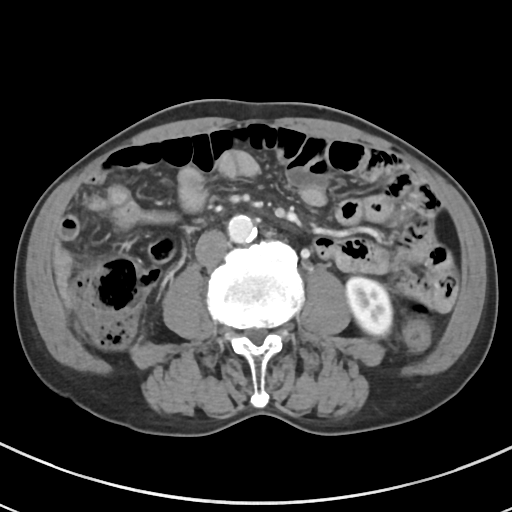
CT abdomen — Axial slice 45/122 — abdomen soft-tissue window — 15 organs annotated in this scan (counted over the whole 3D scan, not this slice; an organ is boxed only where this slice passes through it)
Coordinates as <box>x1,y1,x2,y2</box> in pixels. 3 labeled organs on this slice — inferior vena cava at <box>195,230,230,266</box>; aorta at <box>227,215,256,243</box>; left kidney at <box>346,277,392,336</box>.